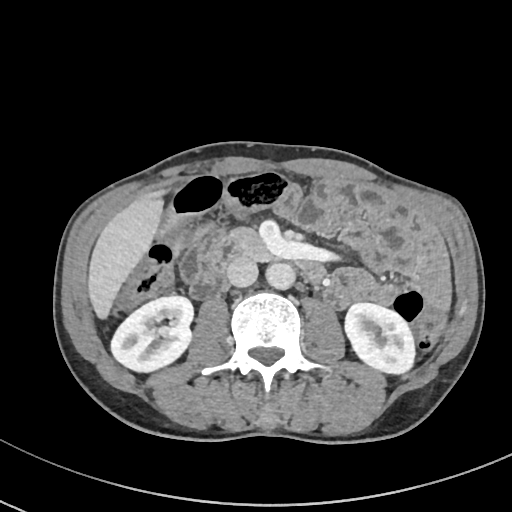
CT abdomen — axial plane, index 133 — 512x512 px — acquired on SOMATOM Force — 15 organs annotated in this scan (that count is for the whole scan; organs this slice misses have no box)
{"organs":{"right kidney":[110,296,192,372],"left kidney":[344,302,416,375],"liver":[87,184,173,321],"aorta":[266,261,296,290],"inferior vena cava":[226,257,257,286],"pancreas":[225,226,272,260],"duodenum":[204,238,326,282]}}